CT, abdomen/pelvis; axial view
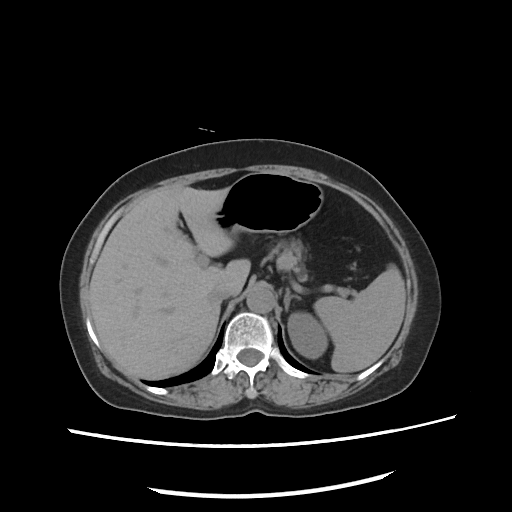 {"organs":{"spleen":[314,265,405,373],"left kidney":[288,310,327,359],"liver":[88,186,250,379],"stomach":[216,173,323,233],"aorta":[247,288,275,312],"inferior vena cava":[208,287,232,302],"pancreas":[270,242,302,279],"left adrenal gland":[283,290,300,306]}}